Magnetic resonance imaging, abdomen; Axial slice 46/72; 320x260 px
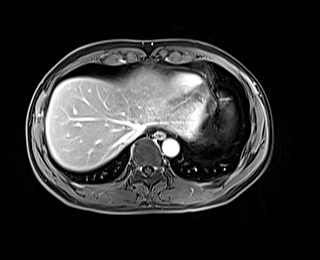

Coordinates as <box>x1,y1,x2,y2</box> in pixels. Labeled organs on this slice: esophagus at <box>154,132,165,139</box>, liver at <box>45,69,204,170</box>, aorta at <box>162,139,178,156</box>, inferior vena cava at <box>122,125,144,143</box>.